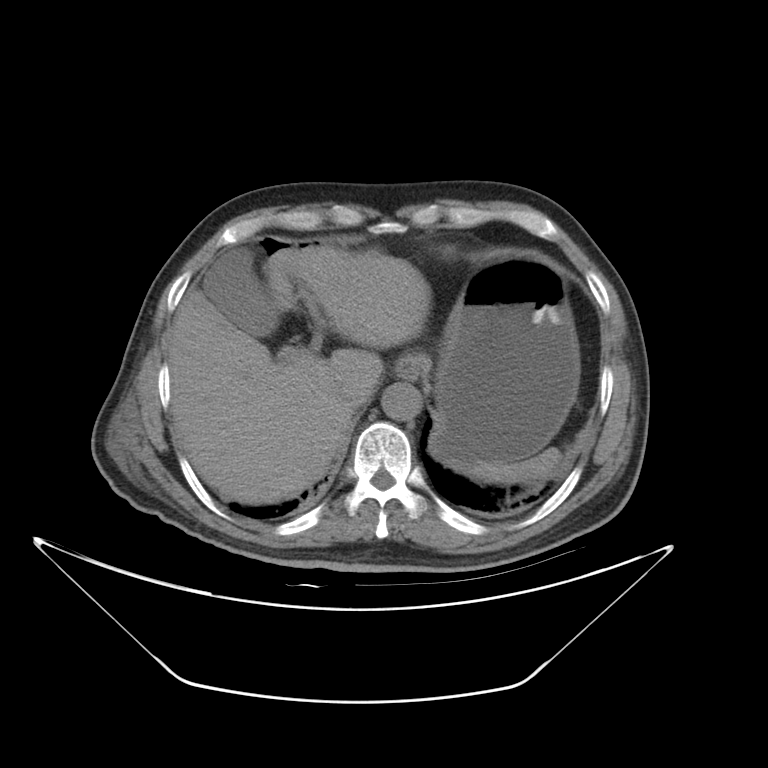 Abdominal CT — Axial slice 83/99 — soft-tissue window — 768x768 px — 15 organs annotated in this scan (that count is for the whole scan; organs this slice misses have no box)
{"organs":{"stomach":[429,251,581,464],"inferior vena cava":[337,386,373,410],"gall bladder":[200,249,279,337],"liver":[168,248,429,505],"spleen":[453,446,566,484],"esophagus":[395,354,430,378],"aorta":[382,384,422,420]}}